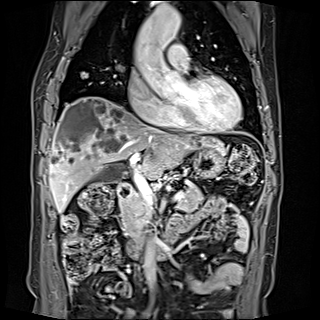
Abdominal MRI; coronal view
{"organs":{"gall bladder":[94,167,118,179],"liver":[49,97,223,212],"stomach":[192,146,225,177],"aorta":[[134,5,180,55],[145,248,156,289]],"pancreas":[119,183,204,228],"duodenum":[117,182,182,257]}}